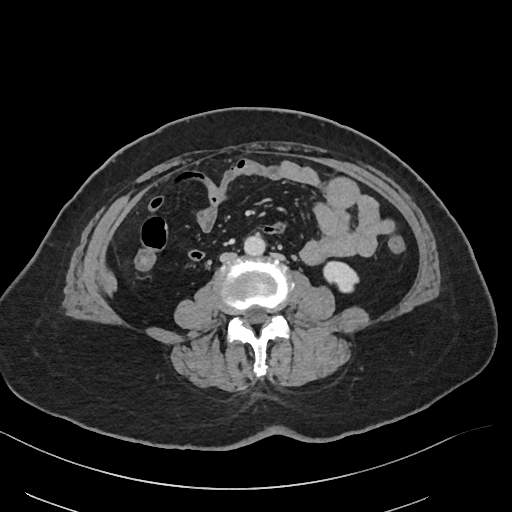 CT abdomen; axial view
Bounding boxes as [x1, y1, x2, y2] in pixel coordinates.
inferior vena cava: [220, 252, 236, 262]
left kidney: [322, 260, 359, 293]
aorta: [243, 235, 265, 256]